CT, abdomen/pelvis; axial plane, index 39; abdomen soft-tissue window; 512x512 px
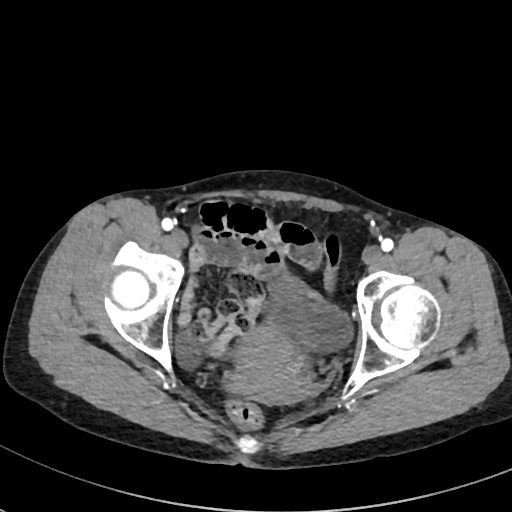

Each box given as x1,y1,x2,y2.
bladder: x1=177, y1=276, x2=352, y2=367
prostate/uterus: x1=234, y1=325, x2=310, y2=403